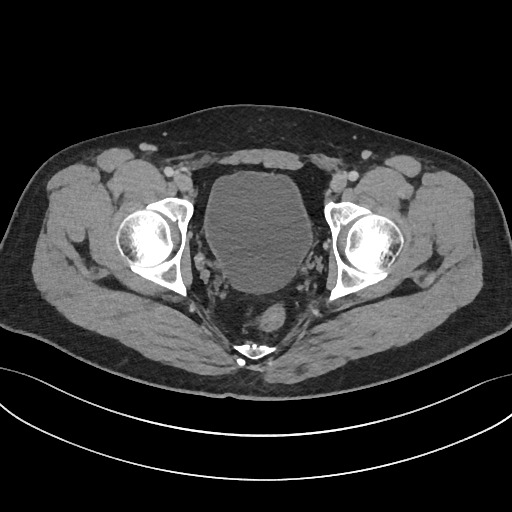

CT abdomen · Axial slice 40/345 · abdomen soft-tissue window · acquired on SOMATOM Force
Boxes are (x1, y1, x2, y2) in pixels. 1 labeled organ on this slice — bladder at (204, 172, 312, 292).